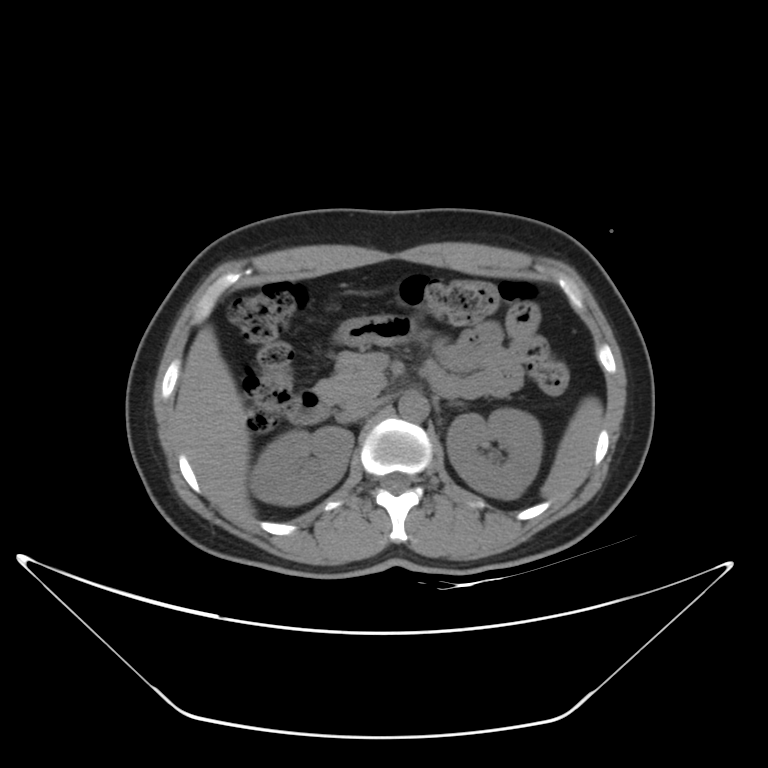

Computed tomography, abdomen; axial view; 768x768 px; 15 organs annotated in this scan (that count is for the whole scan; organs this slice misses have no box)
Bounding boxes as [x1, y1, x2, y2] in pixel coordinates. 9 labeled organs on this slice — spleen at [541, 396, 603, 500]; right kidney at [251, 426, 353, 505]; left kidney at [446, 408, 543, 500]; liver at [173, 326, 254, 524]; aorta at [397, 391, 429, 421]; inferior vena cava at [337, 399, 379, 422]; pancreas at [314, 352, 386, 406]; left adrenal gland at [457, 403, 461, 404]; duodenum at [287, 371, 454, 423].